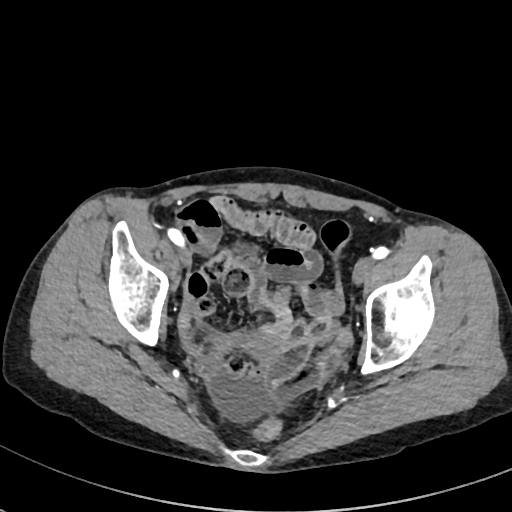 CT abdomen. axial view. acquired on SOMATOM Force
{"organs":{"prostate/uterus":[244,332,287,356]}}